Abdominal CT. axial view. soft-tissue window (W 400 / L 40). 52-year-old male patient. acquired on Aquilion ONE
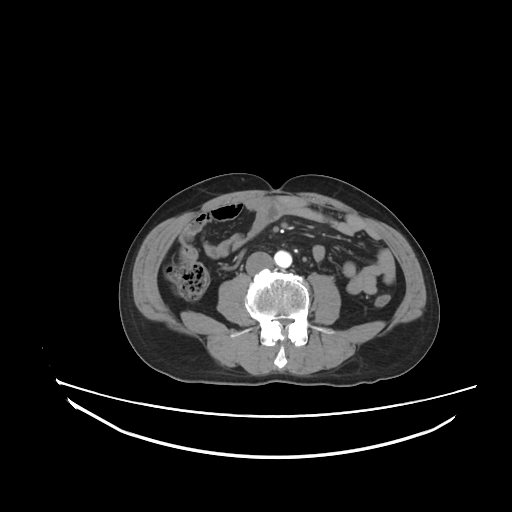
<organs><organ name="aorta" x1="274" y1="250" x2="292" y2="267"/><organ name="inferior vena cava" x1="246" y1="251" x2="272" y2="274"/></organs>